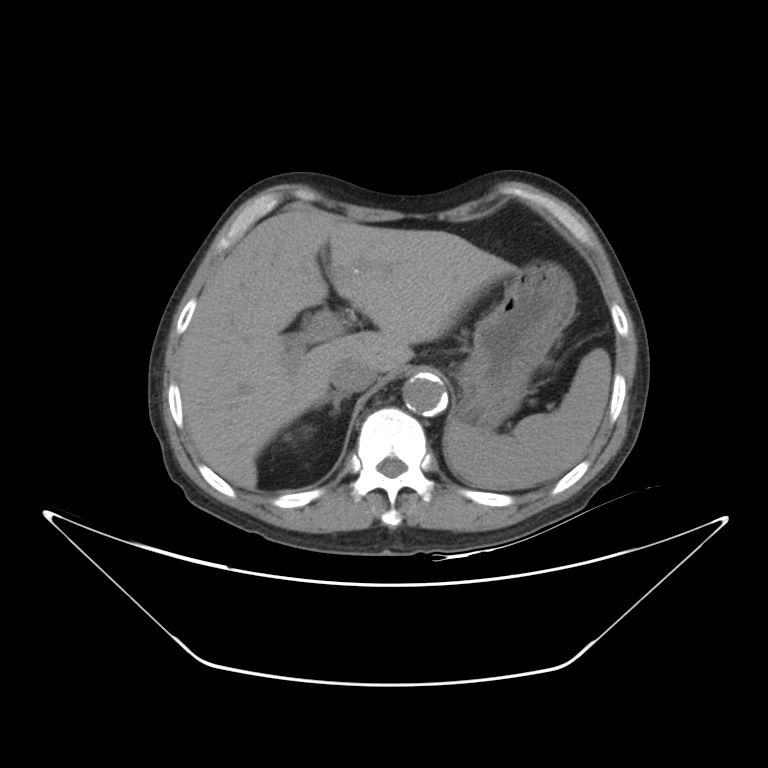
CT, abdomen/pelvis. axial view. 59-year-old male patient. scan has 14 labeled organs (counted over the whole 3D scan, not this slice; an organ is boxed only where this slice passes through it)
Bounding boxes as [x1, y1, x2, y2] in pixel coordinates.
Organ bounding boxes:
- inferior vena cava: [329, 356, 377, 394]
- right adrenal gland: [313, 392, 346, 413]
- right kidney: [284, 425, 313, 445]
- spleen: [444, 349, 610, 489]
- aorta: [403, 376, 447, 415]
- liver: [178, 208, 514, 489]
- stomach: [457, 260, 575, 433]